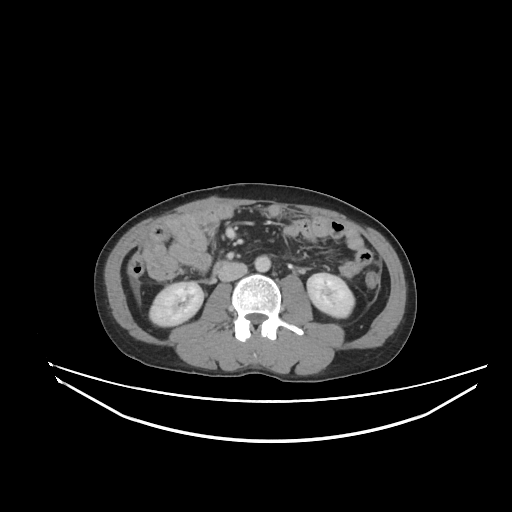

Computed tomography, abdomen · axial view · 47-year-old male patient
Organ boxes in pixel coordinates; each row gives the top-left (x1, y1) and bottom-right (x2, y2) corners.
| organ | x1 | y1 | x2 | y2 |
|---|---|---|---|---|
| right kidney | 149 | 281 | 203 | 326 |
| left kidney | 307 | 273 | 354 | 317 |
| aorta | 254 | 255 | 270 | 272 |
| inferior vena cava | 218 | 262 | 247 | 281 |
| duodenum | 213 | 262 | 226 | 274 |